Abdominal CT · axial plane, index 71 · W/L 400/40 HU · scan has 15 labeled organs (a whole-scan count: organs this slice does not pass through have no box)
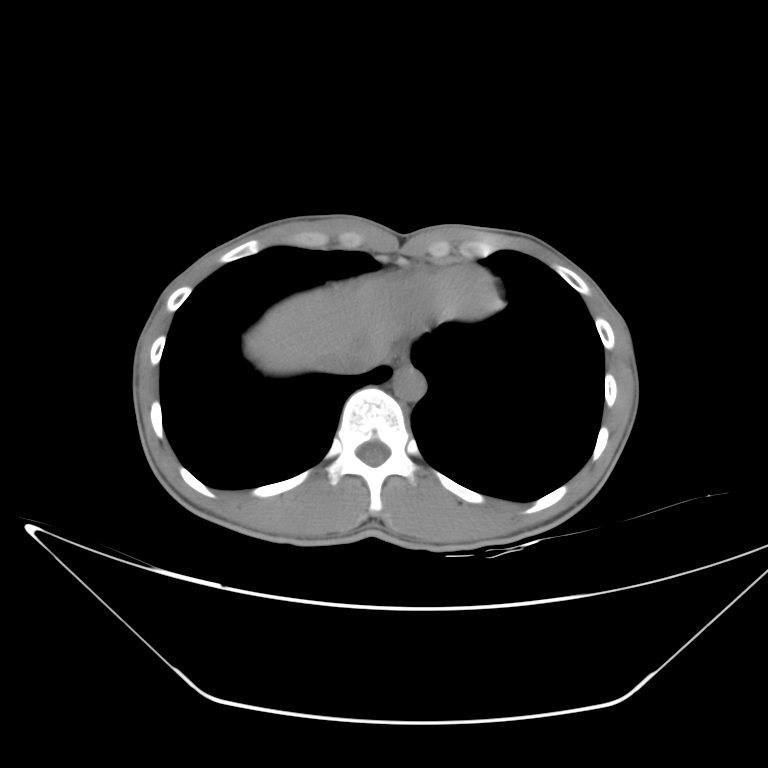
<organs><organ name="esophagus" x1="391" y1="349" x2="409" y2="368"/><organ name="liver" x1="245" y1="278" x2="399" y2="373"/><organ name="aorta" x1="393" y1="366" x2="426" y2="401"/><organ name="inferior vena cava" x1="324" y1="336" x2="383" y2="373"/></organs>